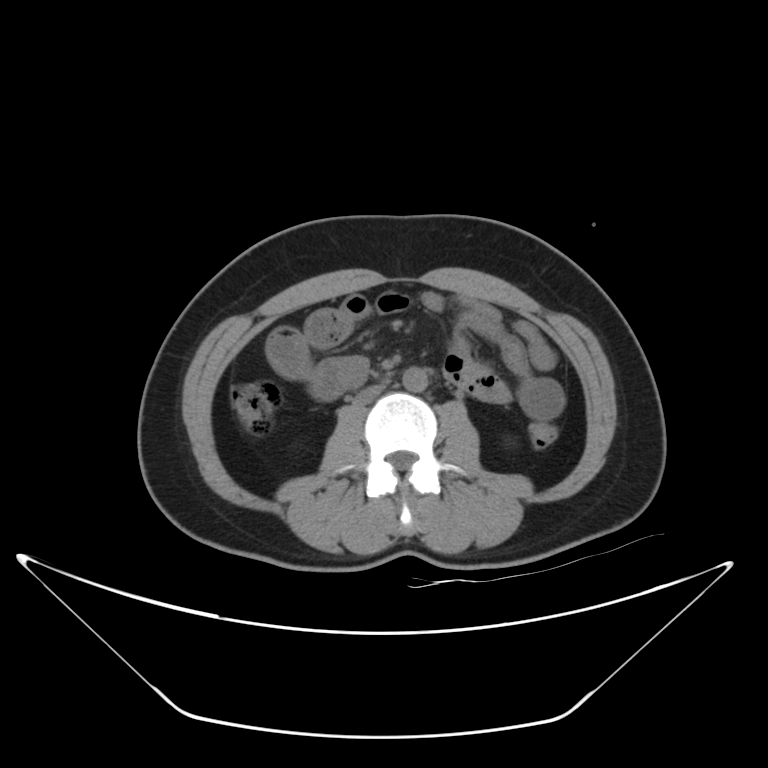 CT abdomen. axial view. abdomen soft-tissue window. 768x768 px. 39-year-old female patient
Boxes: x1 y1 x2 y2 (pixel coords, space-separated).
Organ bounding boxes:
- aorta: 403 367 427 392
- inferior vena cava: 353 384 384 404